Abdominal CT; Axial slice 310/353; soft-tissue window (W 400 / L 40); 512x512 px; acquired on SOMATOM Force
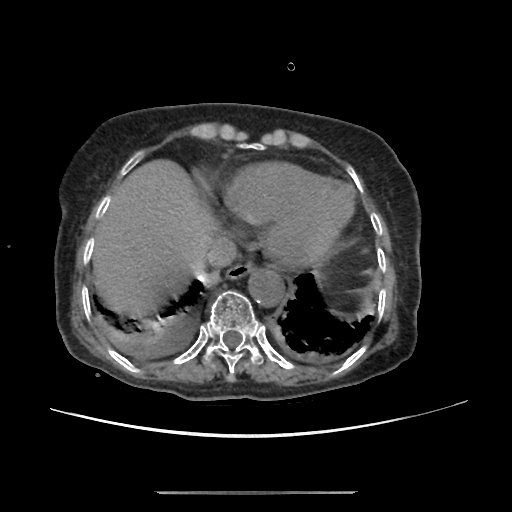
<organs><organ name="liver" x1="93" y1="160" x2="216" y2="311"/><organ name="aorta" x1="248" y1="270" x2="284" y2="306"/><organ name="inferior vena cava" x1="205" y1="235" x2="236" y2="267"/><organ name="esophagus" x1="225" y1="261" x2="253" y2="279"/></organs>